CT abdomen. Axial slice 120/206
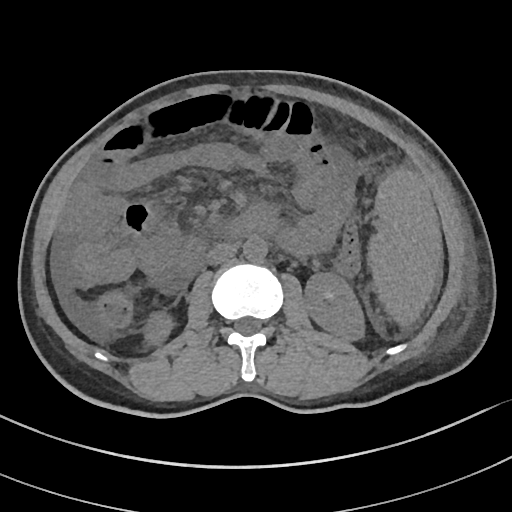

Bounding boxes in pixels, one row per box: x1, y1 is the top-left corner and x2, y2 the bottom-right.
| organ | x1 | y1 | x2 | y2 |
|---|---|---|---|---|
| spleen | 368 | 170 | 441 | 325 |
| right kidney | 144 | 311 | 173 | 345 |
| left kidney | 304 | 273 | 364 | 340 |
| aorta | 243 | 237 | 267 | 261 |
| inferior vena cava | 206 | 243 | 236 | 264 |
| duodenum | 181 | 211 | 271 | 276 |